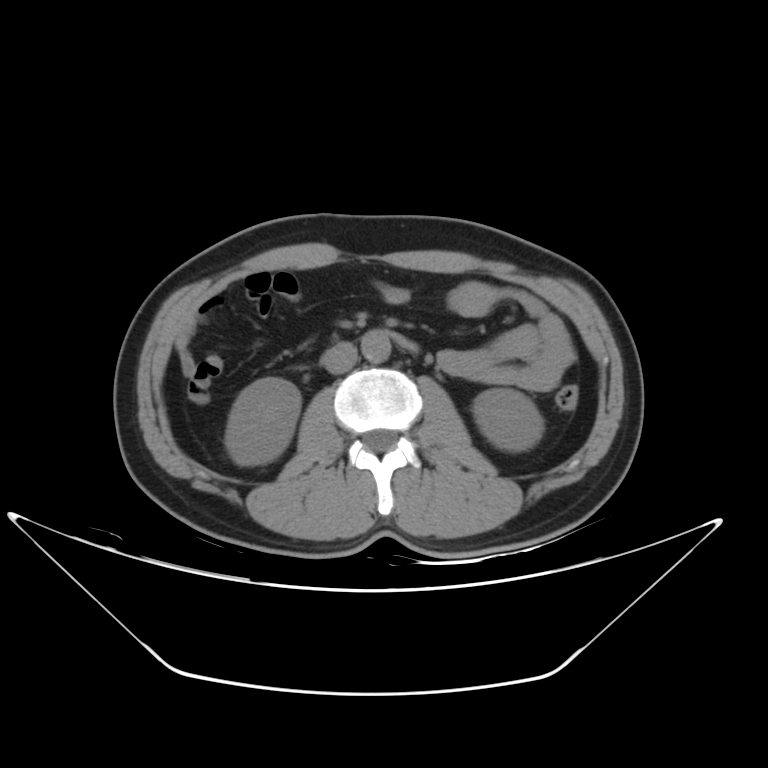 Abdominal CT. axial view. soft-tissue window (W 400 / L 40). 53-year-old male patient. scan has 15 labeled organs (counted over the whole 3D scan, not this slice; an organ is boxed only where this slice passes through it)
Boxes are (x1, y1, x2, y2) in pixels. Labeled organs on this slice: right kidney at (226, 377, 299, 465), duodenum at (389, 331, 419, 350), left kidney at (472, 388, 543, 451), aorta at (362, 329, 389, 361), inferior vena cava at (321, 339, 356, 374).